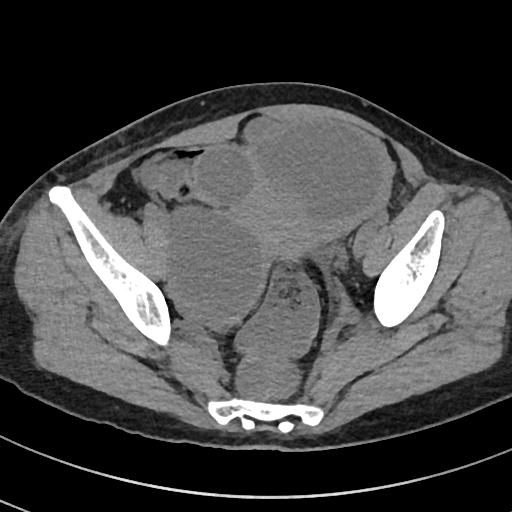

Abdominal CT — axial view — abdomen soft-tissue window — 512x512 px — acquired on SOMATOM Force
One row per box, in pixels: columns x1 and y1 give the top-left corner, x2 and y2 the bottom-right.
| organ | x1 | y1 | x2 | y2 |
|---|---|---|---|---|
| prostate/uterus | 238 | 189 | 304 | 254 |